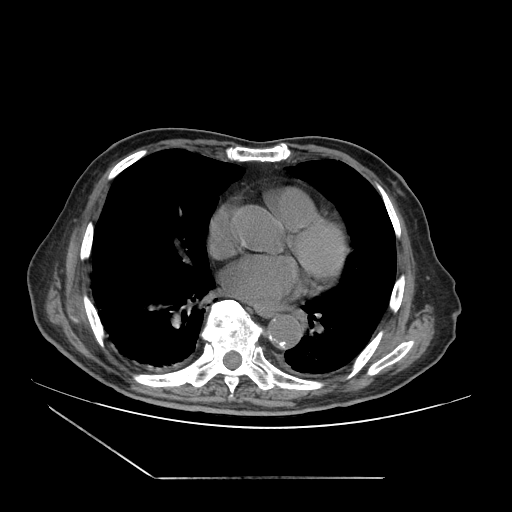

Abdominal CT; this slice is in the lower chest, just above the liver; axial view; soft-tissue window (W 400 / L 40); SOMATOM Force scanner
Of the structures in the chest, this dataset labels only the esophagus, the aorta and the inferior vena cava; the heart and lungs have no label.
Box edges are left/top/right/bottom in pixels.
Organ bounding boxes:
- aorta: left=268, top=315, right=301, bottom=349
- esophagus: left=257, top=309, right=275, bottom=317